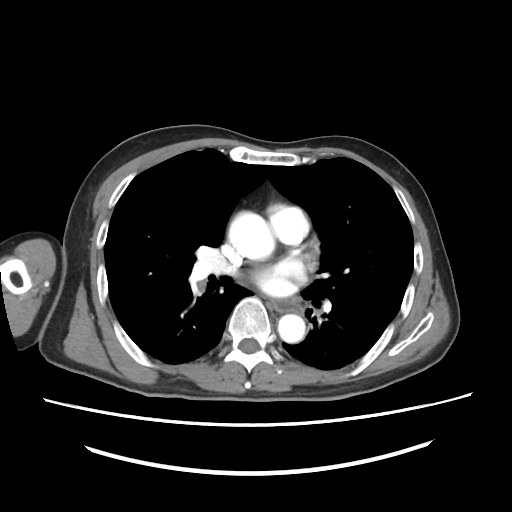
Chest-level slice from an abdominal CT that extends up into the chest; axial view; soft-tissue window; 512x512 px; 61-year-old male patient; acquired on Aquilion ONE
At this level of the chest this dataset labels only the esophagus and the aorta, and each is boxed only where it is labeled; the heart and lungs are never labeled.
{"organs":{"esophagus":[270,301,302,312],"aorta":[[228,210,275,261],[278,312,306,341]]}}